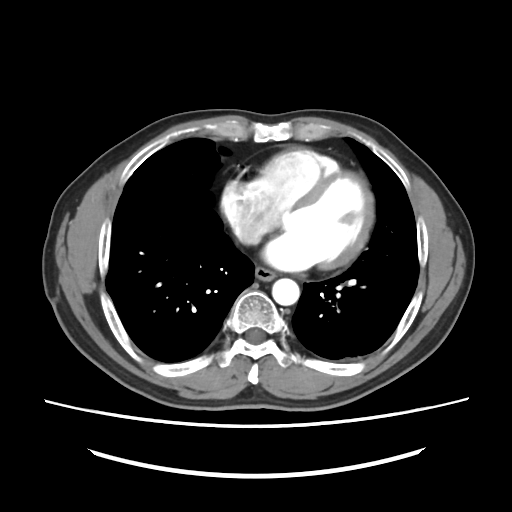

Lower-chest slice from an abdominal CT, just above the liver and spleen; axial plane, index 98; 512x512 px
Of the structures in the chest, this dataset labels only the esophagus, the aorta and the inferior vena cava; the heart and lungs have no label. Coordinates as <box>x1,y1,x2,y2</box> in pixels. 2 labeled organs on this slice — aorta at <box>272,278,299,305</box>; esophagus at <box>255,267,275,281</box>.